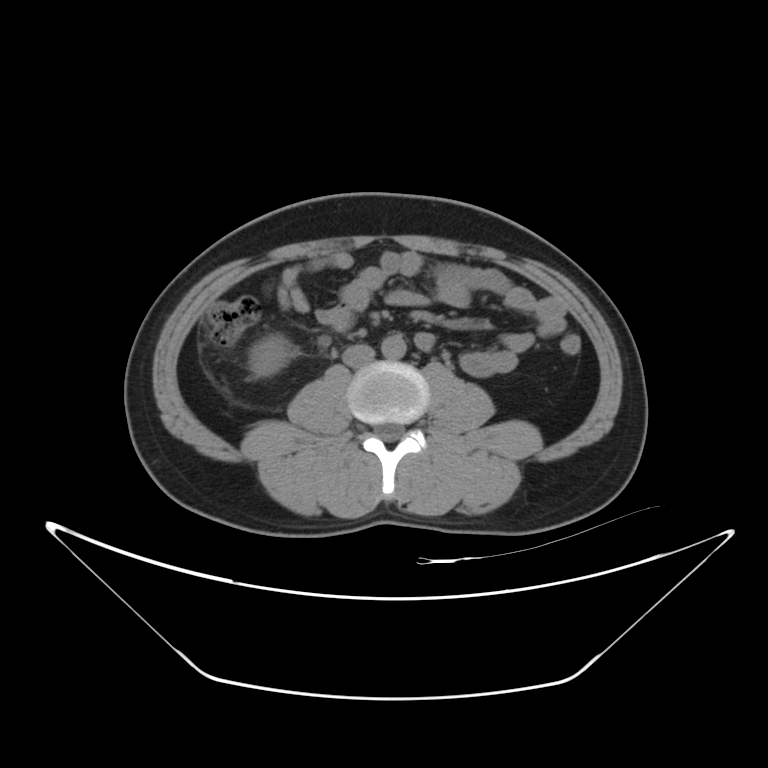
Computed tomography, abdomen. Axial slice 60/97. W/L 400/40 HU
<organs><organ name="right kidney" x1="248" y1="334" x2="292" y2="377"/><organ name="aorta" x1="381" y1="334" x2="406" y2="359"/><organ name="inferior vena cava" x1="342" y1="343" x2="375" y2="367"/></organs>